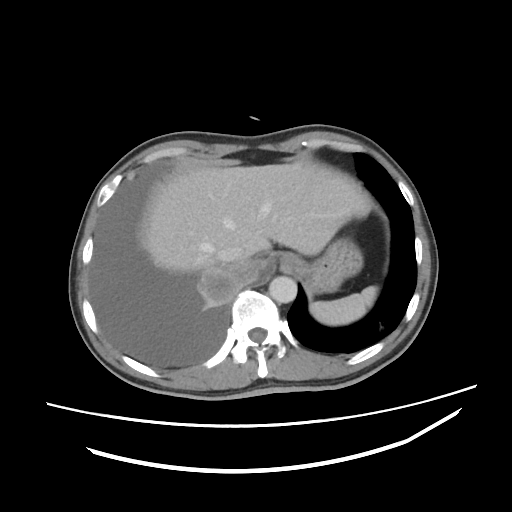

Abdominal CT; axial view; soft-tissue window; 49-year-old male patient; acquired on Aquilion ONE
Boxes are (x1, y1, x2, y2) in pixels.
aorta: (269, 276, 297, 303)
inferior vena cava: (216, 247, 245, 260)
esophagus: (279, 253, 299, 272)
spleen: (310, 286, 377, 325)
stomach: (300, 237, 362, 292)
liver: (142, 162, 371, 271)